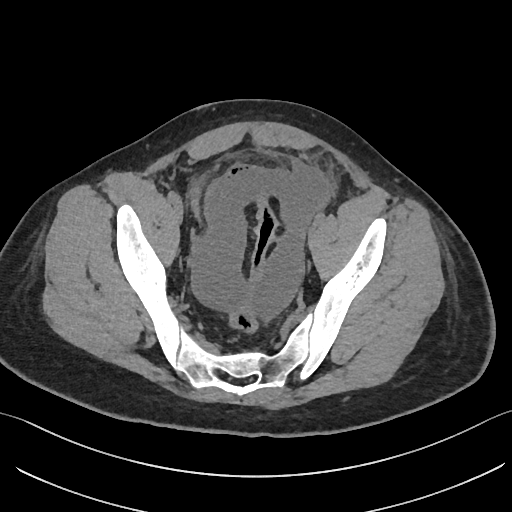
Abdominal CT — axial view — 15 organs annotated in this scan (that count is for the whole scan; organs this slice misses have no box)
One row per box, in pixels: columns x1 and y1 give the top-left corner, x2 and y2 the bottom-right.
| organ | x1 | y1 | x2 | y2 |
|---|---|---|---|---|
| bladder | 191 | 180 | 199 | 218 |